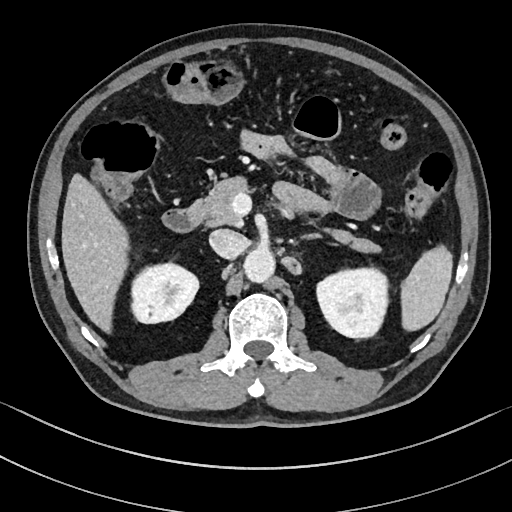

CT abdomen — axial view — SOMATOM Force scanner
Box edges are left/top/right/bottom in pixels. 9 labeled organs on this slice — inferior vena cava at left=209, top=229, right=247, bottom=258; pancreas at left=194, top=176, right=380, bottom=253; spleen at left=400, top=244, right=452, bottom=331; left kidney at left=317, top=268, right=388, bottom=337; liver at left=61, top=173, right=128, bottom=332; duodenum at left=162, top=204, right=203, bottom=232; left adrenal gland at left=291, top=233, right=320, bottom=243; aorta at left=243, top=248, right=274, bottom=282; right kidney at left=131, top=263, right=198, bottom=323.